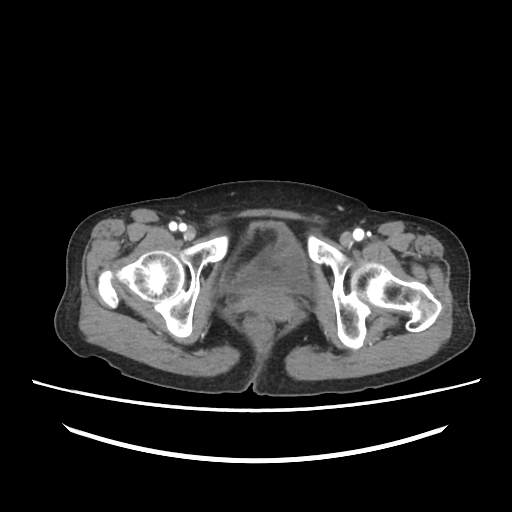

CT abdomen; Axial slice 17/96; soft-tissue window; 512x512 px
Boxes are (x1, y1, x2, y2) in pixels. The annotated organs in this slice are: prostate/uterus at (243, 291, 295, 320), bladder at (221, 220, 311, 293).